CT abdomen — axial view — 512x512 px — 40-year-old male patient — Aquilion ONE scanner — scan has 15 labeled organs (a whole-scan count: organs this slice does not pass through have no box)
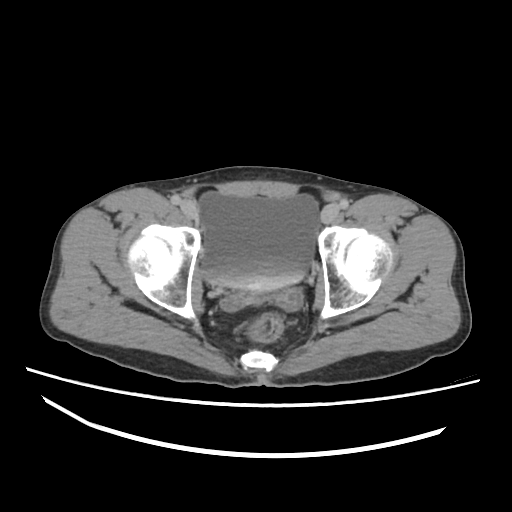 <organs><organ name="bladder" x1="199" y1="191" x2="319" y2="291"/></organs>